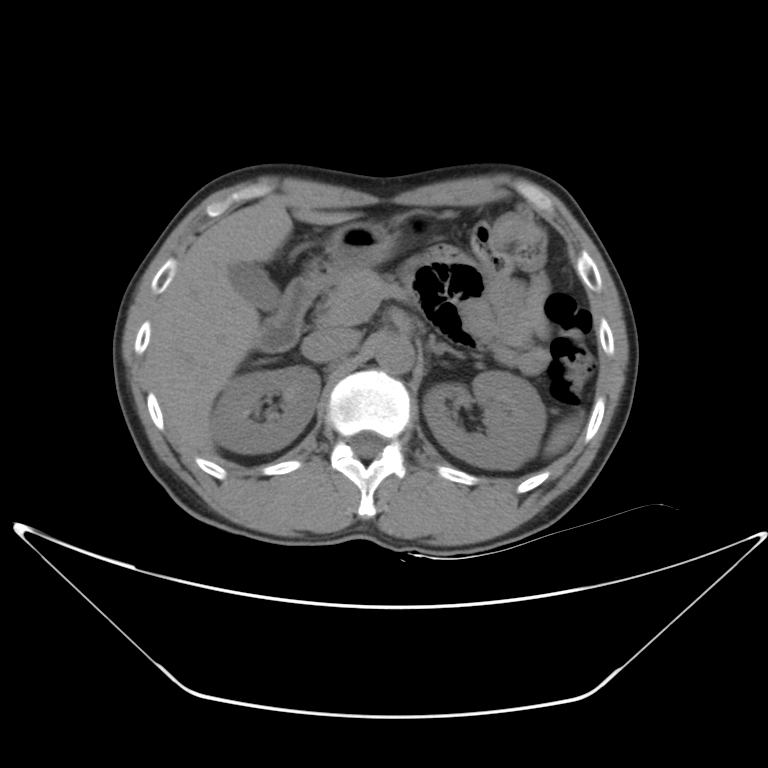 Abdominal CT · Axial slice 70/93 · 768x768 px
Boxes are (x1, y1, x2, y2) in pixels.
spleen: (479, 421, 580, 467)
right kidney: (216, 366, 318, 453)
left kidney: (418, 370, 545, 470)
gall bladder: (230, 262, 281, 310)
liver: (152, 201, 359, 453)
stomach: (305, 210, 440, 294)
aorta: (376, 332, 413, 372)
inferior vena cava: (303, 326, 359, 361)
pancreas: (310, 265, 386, 326)
left adrenal gland: (426, 334, 465, 357)
duodenum: (257, 280, 309, 352)